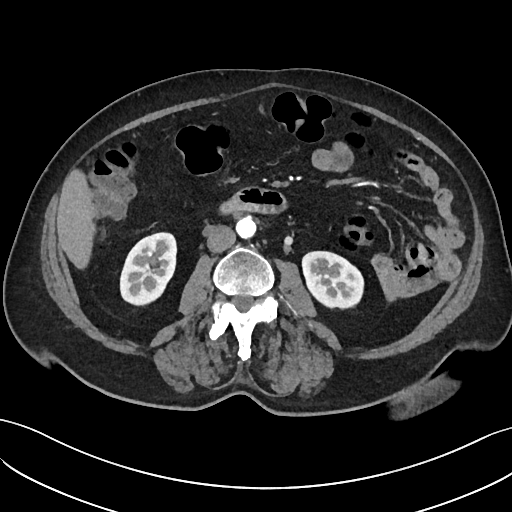

Abdominal CT · axial view · soft-tissue window · scan has 15 labeled organs (counted over the whole 3D scan, not this slice; an organ is boxed only where this slice passes through it)
Boxes are (x1, y1, x2, y2) in pixels.
right kidney: (120, 233, 176, 306)
left kidney: (302, 251, 364, 310)
liver: (56, 168, 96, 269)
aorta: (236, 216, 256, 238)
inferior vena cava: (206, 225, 235, 252)
duodenum: (218, 186, 287, 214)